CT of the abdomen reaching into the lower chest, slice just above the liver and spleen · axial view
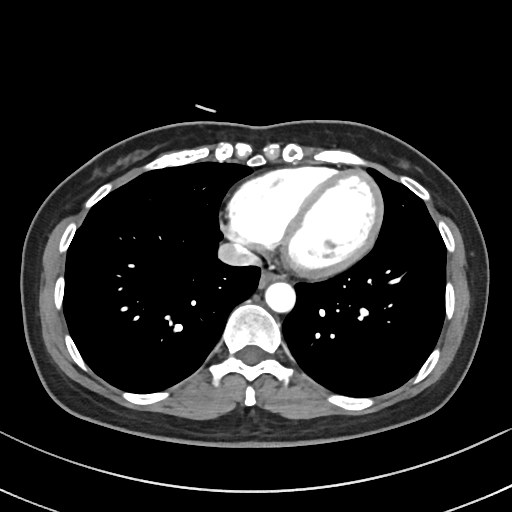

No part of the heart or lungs is labeled in this dataset, so neither has a box here.
Boxes are (x1, y1, x2, y2) in pixels.
Organ bounding boxes:
- esophagus: (259, 270, 283, 287)
- aorta: (265, 282, 295, 312)
- inferior vena cava: (217, 243, 259, 266)